CT of the abdomen extending into the chest, slice through the chest — axial view — 512x512 px
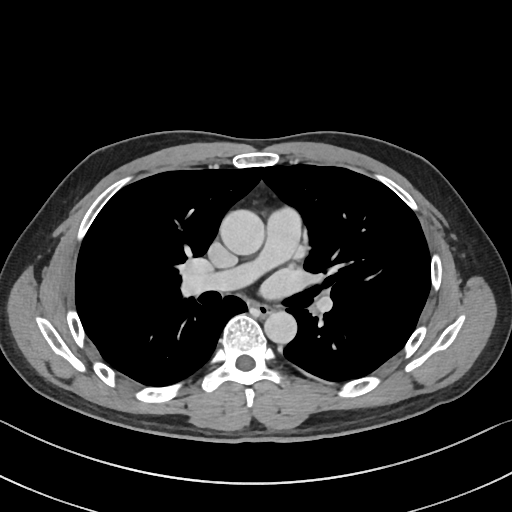
At this level of the chest this dataset labels only the esophagus and the aorta, and each is boxed only where it is labeled; the heart and lungs are never labeled. Coordinates as <box>x1,y1,x2,y2</box> in pixels. Labeled organs on this slice: esophagus at <box>255,303,271,315</box>, aorta at <box>219,209,264,255</box>, aorta at <box>264,311,296,344</box>.